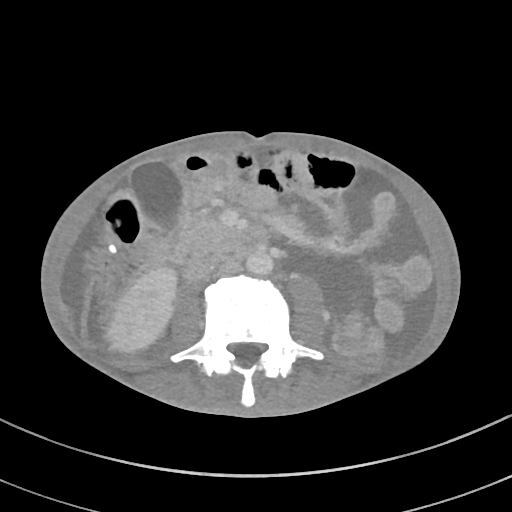
Computed tomography, abdomen. Axial slice 47/92
Coordinates as <box>x1,y1,x2,y2</box> in pixels.
right kidney: <box>108,268,176,350</box>
gall bladder: <box>130,160,181,231</box>
aorta: <box>246,250,273,275</box>
inferior vena cava: <box>215,260,241,275</box>
pancreas: <box>179,213,234,260</box>
duodenum: <box>182,229,266,280</box>